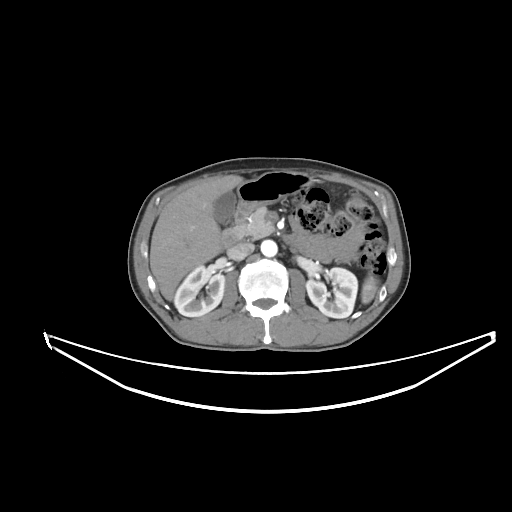
CT, abdomen/pelvis; Axial slice 62/134; abdomen soft-tissue window
Bounding boxes as [x1, y1, x2, y2] in pixel coordinates.
spleen: [361, 275, 378, 303]
right kidney: [174, 265, 224, 316]
left kidney: [306, 267, 357, 318]
gall bladder: [213, 191, 236, 224]
liver: [150, 175, 244, 300]
stomach: [237, 171, 310, 209]
aorta: [260, 240, 277, 256]
inferior vena cava: [227, 242, 254, 260]
pancreas: [243, 207, 274, 239]
duodenum: [220, 207, 252, 248]